Computed tomography, abdomen. axial view
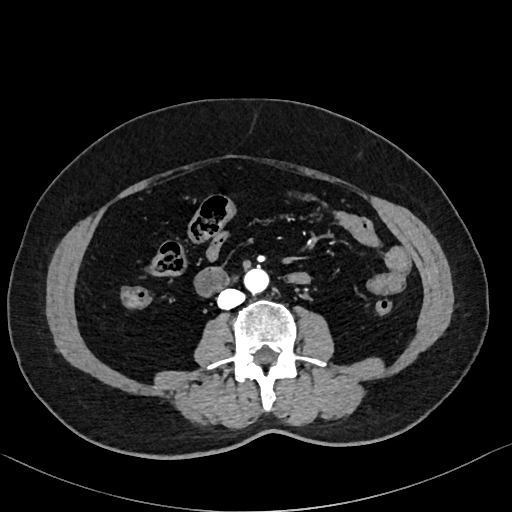 <organs><organ name="aorta" x1="243" y1="268" x2="267" y2="293"/><organ name="inferior vena cava" x1="217" y1="288" x2="244" y2="309"/></organs>